CT, abdomen/pelvis; axial view; 512x512 px; 15 organs annotated in this scan (counted over the whole 3D scan, not this slice; an organ is boxed only where this slice passes through it)
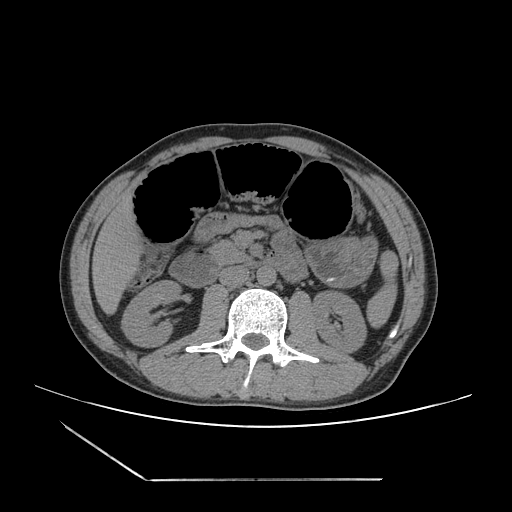
Box edges are left/top/right/bottom in pixels. The annotated organs in this slice are: right kidney at left=121, top=280, right=181, bottom=346, duodenum at left=169, top=252, right=301, bottom=287, inferior vena cava at left=220, top=265, right=249, bottom=287, liver at left=92, top=196, right=138, bottom=311, stomach at left=306, top=236, right=378, bottom=286, pancreas at left=212, top=241, right=249, bottom=265, spleen at left=368, top=252, right=397, bottom=326, aorta at left=256, top=265, right=275, bottom=286, left kidney at left=313, top=292, right=365, bottom=351.